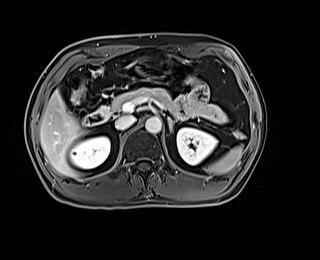 Abdominal MRI; axial view; 320x260 px
Bounding boxes as [x1, y1, x2, y2] in pixel coordinates.
Organ bounding boxes:
- spleen: [204, 145, 242, 174]
- right kidney: [70, 136, 109, 168]
- left kidney: [176, 127, 217, 164]
- liver: [40, 90, 86, 176]
- stomach: [136, 56, 173, 76]
- aorta: [145, 117, 161, 133]
- inferior vena cava: [115, 116, 135, 129]
- pancreas: [109, 88, 180, 115]
- left adrenal gland: [167, 116, 174, 133]
- duodenum: [83, 106, 110, 125]